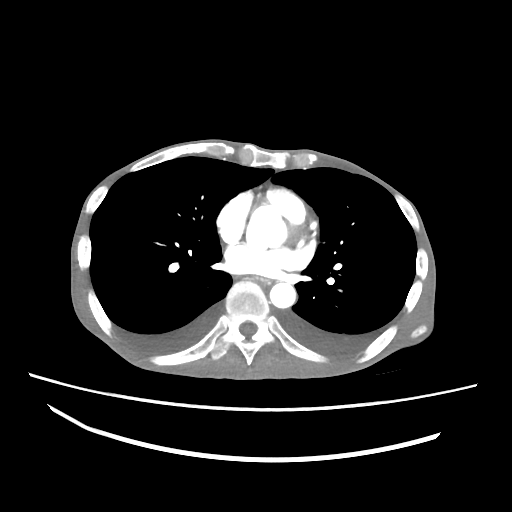

Chest-level CT slice, above the liver and spleen. axial view. 512x512 px. acquired on Aquilion ONE. 15 organs annotated in this scan (counted over the whole 3D scan, not this slice; an organ is boxed only where this slice passes through it)
At this level of the chest no structure but the esophagus and the aorta has a label in this dataset, and those two are boxed only where they are labeled.
{"organs":{"esophagus":[252,275,273,283],"aorta":[269,282,296,308]}}